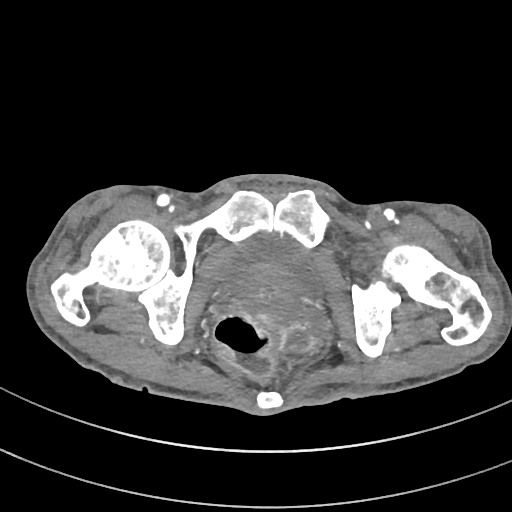 CT, abdomen/pelvis. axial view. 512x512 px
<organs><organ name="bladder" x1="222" y1="233" x2="321" y2="293"/><organ name="prostate/uterus" x1="242" y1="267" x2="299" y2="312"/></organs>